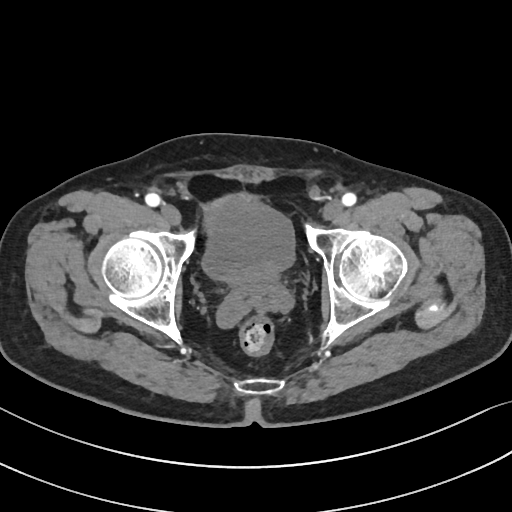

Abdominal CT · axial plane, index 36 · scan has 15 labeled organs (that count is for the whole scan; organs this slice misses have no box)
<organs><organ name="bladder" x1="203" y1="195" x2="294" y2="279"/><organ name="prostate/uterus" x1="228" y1="266" x2="277" y2="290"/></organs>